CT abdomen; axial view; abdomen soft-tissue window; 512x512 px
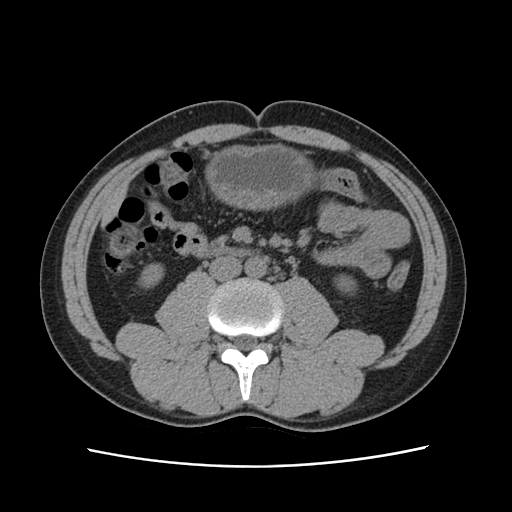 Boxes are (x1, y1, x2, y2) in pixels.
Organ bounding boxes:
- aorta: (245, 258, 266, 278)
- liver: (100, 181, 128, 226)
- left kidney: (338, 275, 356, 294)
- stomach: (205, 145, 314, 211)
- duodenum: (196, 246, 253, 259)
- right kidney: (141, 264, 164, 286)
- inferior vena cava: (209, 256, 241, 281)